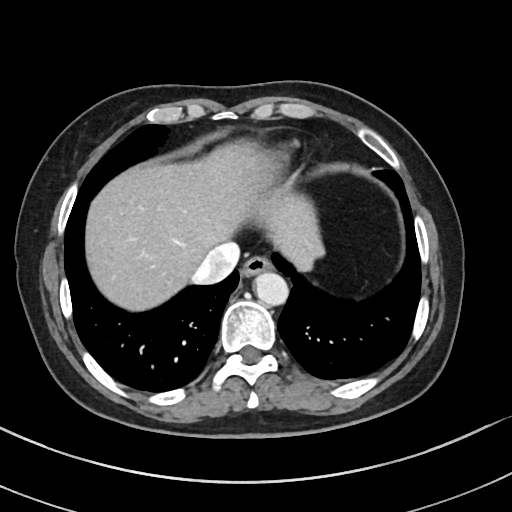 Abdominal CT; axial view; soft-tissue window; 512x512 px
<organs><organ name="esophagus" x1="240" y1="257" x2="271" y2="279"/><organ name="liver" x1="88" y1="147" x2="322" y2="309"/><organ name="aorta" x1="255" y1="273" x2="289" y2="306"/><organ name="inferior vena cava" x1="192" y1="241" x2="240" y2="283"/></organs>